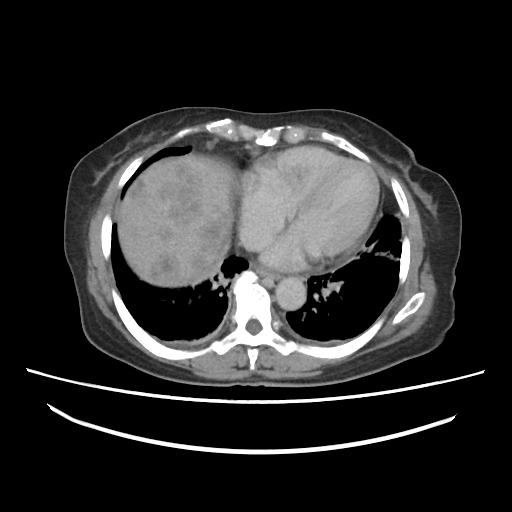
Abdominal CT; Axial slice 90/100; 71-year-old female patient; acquired on Aquilion ONE
Box edges are left/top/right/bottom in pixels. The annotated organs in this slice are: esophagus at left=258, top=269, right=277, bottom=278, liver at left=117, top=154, right=233, bottom=287, aorta at left=276, top=277, right=305, bottom=308, inferior vena cava at left=239, top=223, right=273, bottom=251.